Abdominal CT · axial plane, index 11 · soft-tissue window (W 400 / L 40)
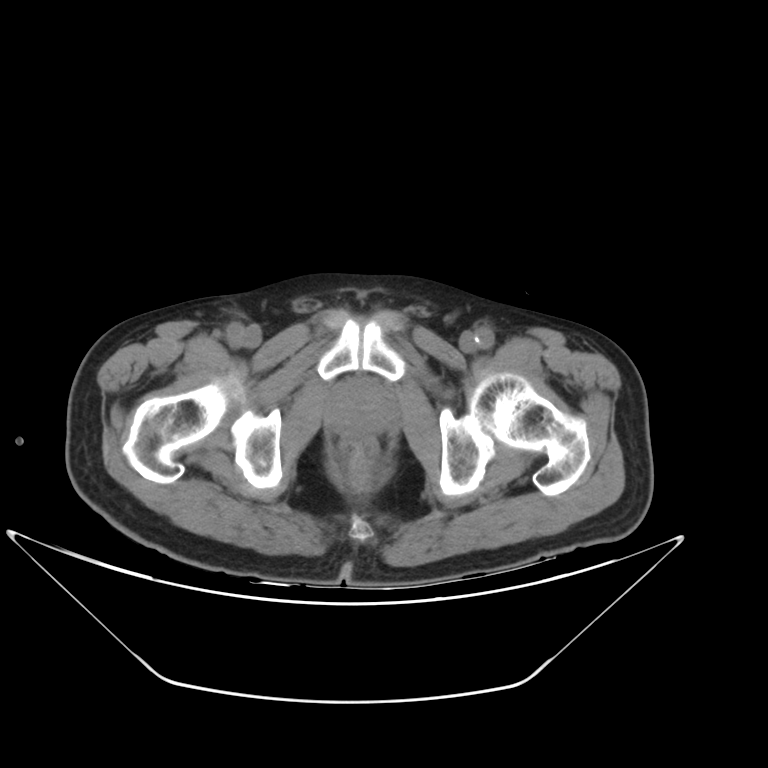 Bounding boxes in pixels, one row per box: x1, y1 is the top-left corner and x2, y2 the bottom-right.
| organ | x1 | y1 | x2 | y2 |
|---|---|---|---|---|
| prostate/uterus | 326 | 378 | 396 | 436 |